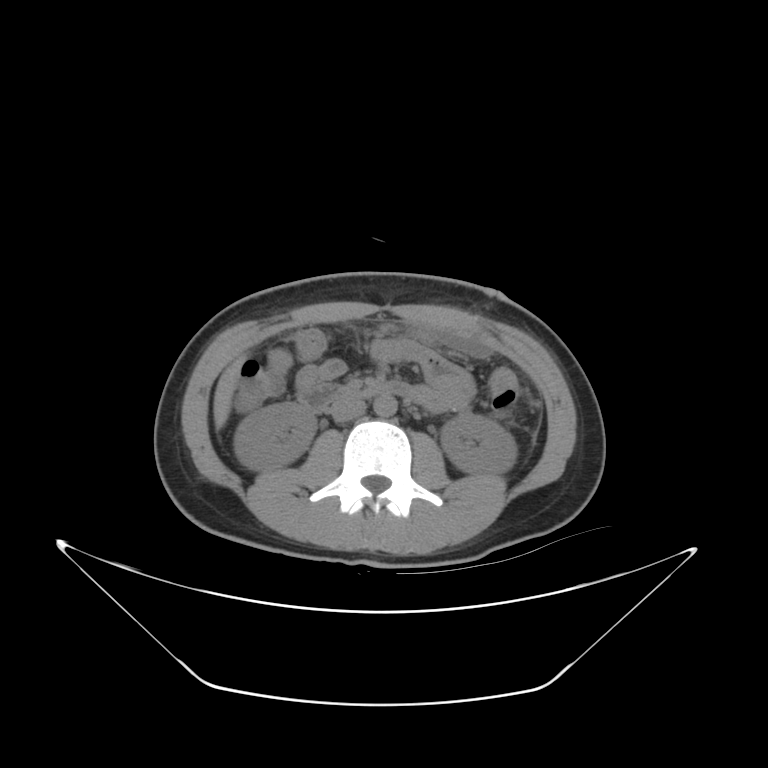

CT, abdomen/pelvis — axial view — W/L 400/40 HU — 16-year-old male patient
Bounding boxes in pixels, one row per box: x1, y1 is the top-left corner and x2, y2 the bottom-right.
| organ | x1 | y1 | x2 | y2 |
|---|---|---|---|---|
| right kidney | 235 | 404 | 317 | 468 |
| left kidney | 440 | 414 | 516 | 475 |
| liver | 214 | 356 | 245 | 429 |
| aorta | 375 | 394 | 396 | 414 |
| inferior vena cava | 329 | 398 | 365 | 422 |
| duodenum | 294 | 381 | 409 | 410 |